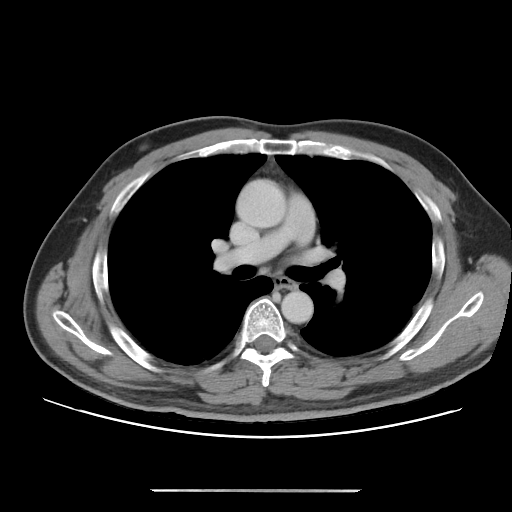 Chest-level slice from an abdominal CT that extends up into the chest. Axial slice 109/131. 512x512 px
At this level of the chest no structure but the esophagus and the aorta has a label in this dataset, and those two are boxed only where they are labeled.
{"organs":{"esophagus":[274,277,296,288],"aorta":[[236,179,286,228],[281,290,313,323]]}}